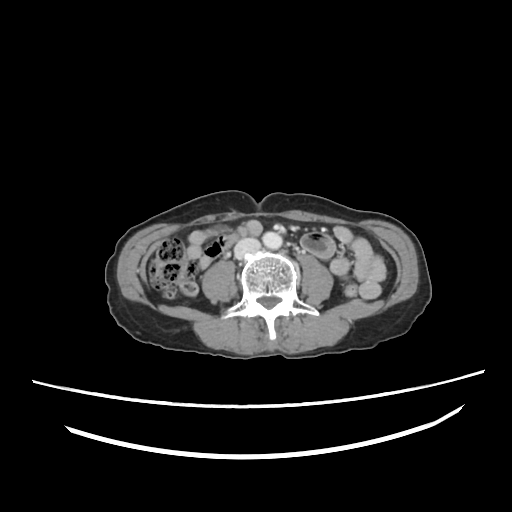

Computed tomography, abdomen; axial view; W/L 400/40 HU; 512x512 px; 68-year-old female patient
One row per box, in pixels: columns x1 and y1 give the top-left corner, x2 and y2 the bottom-right.
| organ | x1 | y1 | x2 | y2 |
|---|---|---|---|---|
| aorta | 262 | 230 | 282 | 249 |
| inferior vena cava | 234 | 238 | 259 | 256 |